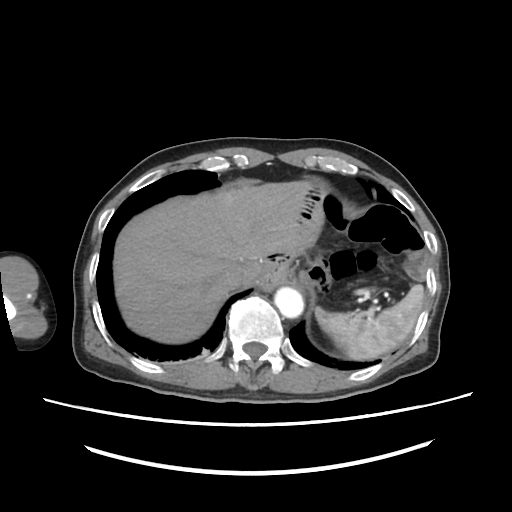

Computed tomography, abdomen — axial view — W/L 400/40 HU — 512x512 px
Boxes: x1:y1:x2:y2 in pixels.
Organ bounding boxes:
- aorta: 274:288:303:317
- inferior vena cava: 224:271:242:287
- liver: 115:180:323:342
- spleen: 314:283:424:357